CT abdomen — axial plane, index 68 — abdomen soft-tissue window — 512x512 px — 41-year-old male patient
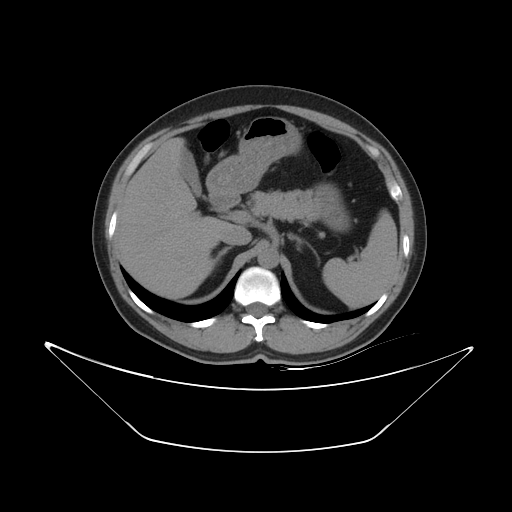
Bounding boxes as [x1, y1, x2, y2] in pixel coordinates. 10 labeled organs on this slice — spleen at [322, 210, 398, 308]; gall bladder at [180, 149, 201, 196]; liver at [115, 137, 235, 298]; stomach at [206, 116, 345, 231]; aorta at [257, 248, 279, 267]; inferior vena cava at [222, 225, 251, 245]; pancreas at [250, 190, 319, 220]; right adrenal gland at [212, 247, 231, 263]; left adrenal gland at [288, 233, 301, 242]; duodenum at [211, 195, 239, 210].